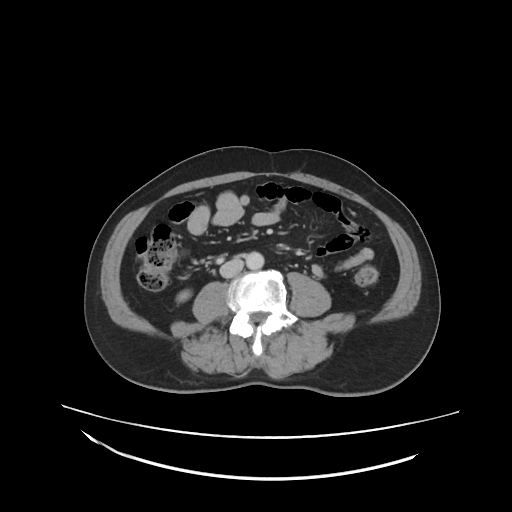
CT abdomen; axial view; 512x512 px; 66-year-old male patient
Boxes are (x1, y1, x2, y2) in pixels.
Organ bounding boxes:
- right kidney: (177, 289, 191, 302)
- aorta: (245, 251, 264, 269)
- inferior vena cava: (220, 257, 243, 278)